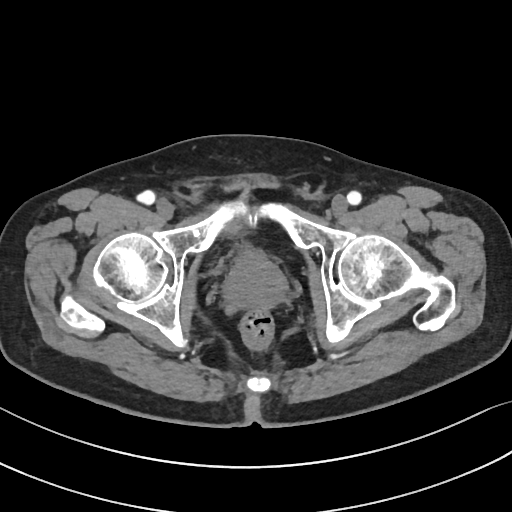
CT, abdomen/pelvis · Axial slice 32/306 · W/L 400/40 HU · 512x512 px
Bounding boxes in pixels, one row per box: x1, y1 is the top-left corner and x2, y2 the bottom-right.
| organ | x1 | y1 | x2 | y2 |
|---|---|---|---|---|
| bladder | 228 | 222 | 239 | 233 |
| prostate/uterus | 223 | 253 | 286 | 307 |